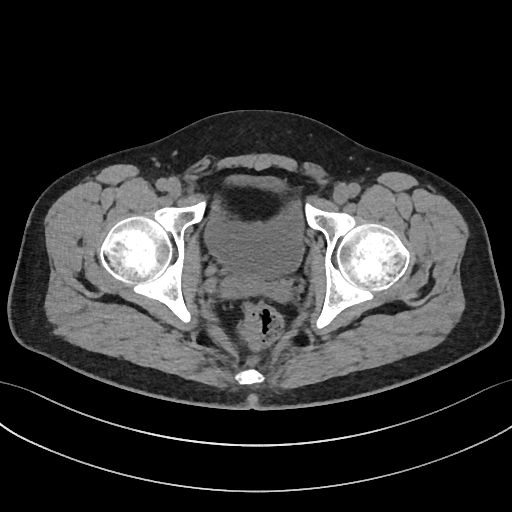
Abdominal CT; axial view
Boxes are (x1, y1, x2, y2) in pixels.
bladder: (204, 202, 304, 278)